Abdominal CT; this slice is in the lower chest, just above the liver; axial view; soft-tissue window, W/L 400/40; 50-year-old male patient
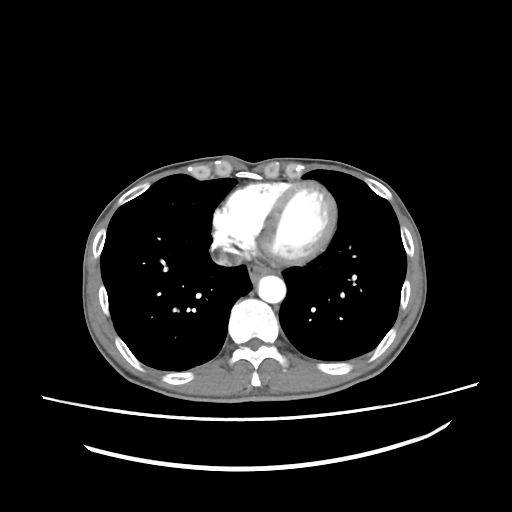
Of the structures in the chest, this dataset labels only the esophagus, the aorta and the inferior vena cava; the heart and lungs have no label.
<organs><organ name="esophagus" x1="248" y1="264" x2="269" y2="283"/><organ name="aorta" x1="257" y1="275" x2="285" y2="303"/><organ name="inferior vena cava" x1="215" y1="253" x2="242" y2="266"/></organs>